Abdominal CT — axial view
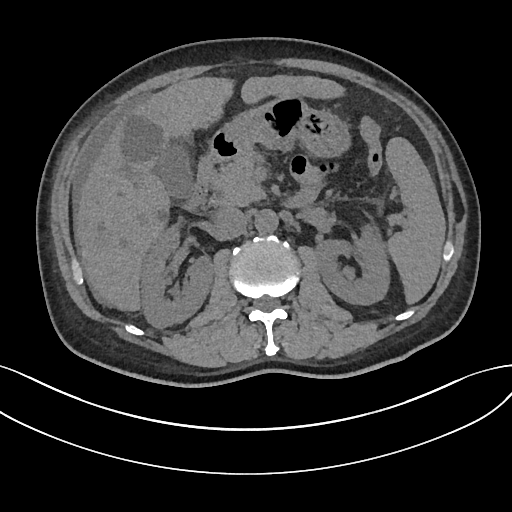

Boxes: x1:y1:x2:y2 in pixels.
Organ bounding boxes:
- spleen: 386:138:446:304
- right kidney: 142:228:213:328
- left kidney: 315:229:387:305
- gall bladder: 159:145:194:200
- liver: 75:75:345:312
- stomach: 222:100:348:158
- aorta: 255:211:278:235
- inferior vena cava: 211:206:248:240
- pancreas: 211:149:266:205
- duodenum: 185:129:318:211